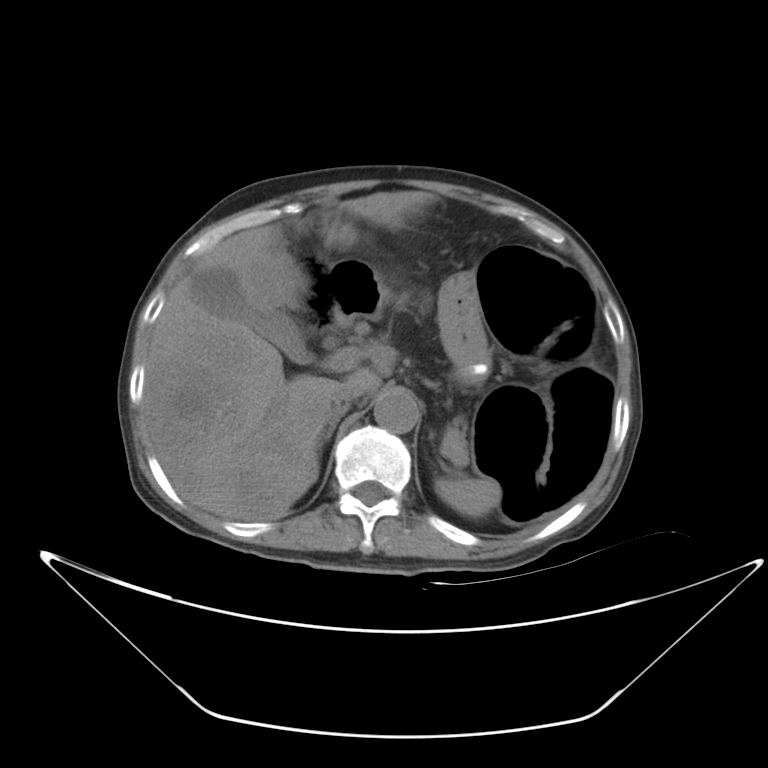 Computed tomography, abdomen · axial plane, index 70 · Brilliance16 scanner
<organs><organ name="spleen" x1="435" y1="478" x2="501" y2="518"/><organ name="gall bladder" x1="191" y1="268" x2="307" y2="363"/><organ name="liver" x1="142" y1="194" x2="420" y2="520"/><organ name="stomach" x1="419" y1="270" x2="490" y2="386"/><organ name="aorta" x1="374" y1="391" x2="419" y2="433"/><organ name="inferior vena cava" x1="331" y1="387" x2="362" y2="414"/><organ name="pancreas" x1="444" y1="422" x2="469" y2="461"/><organ name="right adrenal gland" x1="319" y1="409" x2="346" y2="447"/><organ name="duodenum" x1="326" y1="257" x2="380" y2="326"/></organs>